CT, abdomen/pelvis · axial view
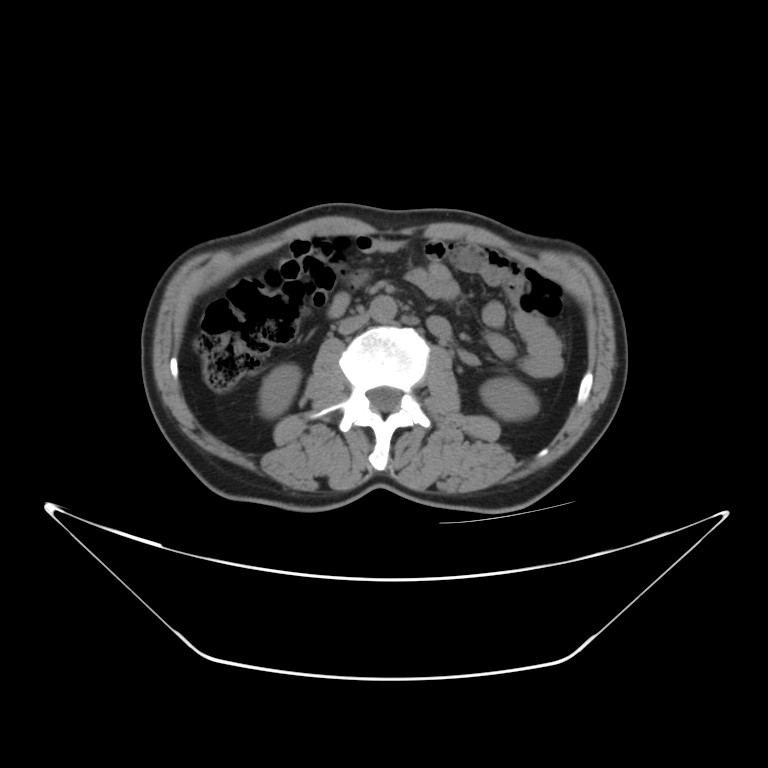

{"organs":{"right kidney":[261,365,299,416],"left kidney":[481,377,536,418],"aorta":[371,296,397,322],"inferior vena cava":[336,316,368,332]}}